Abdominal CT — axial plane, index 9
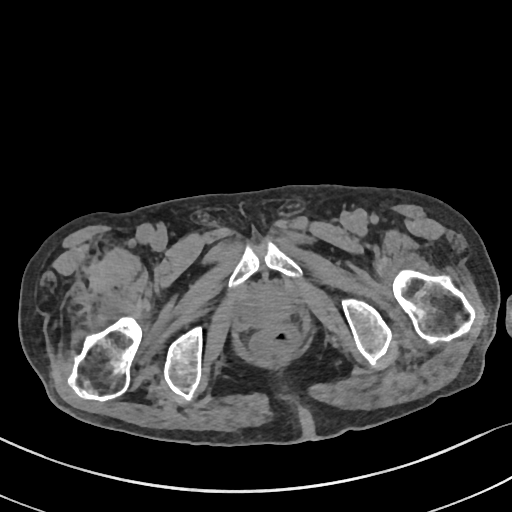

Bounding boxes as [x1, y1, x2, y2] in pixel coordinates.
prostate/uterus: [241, 284, 289, 324]